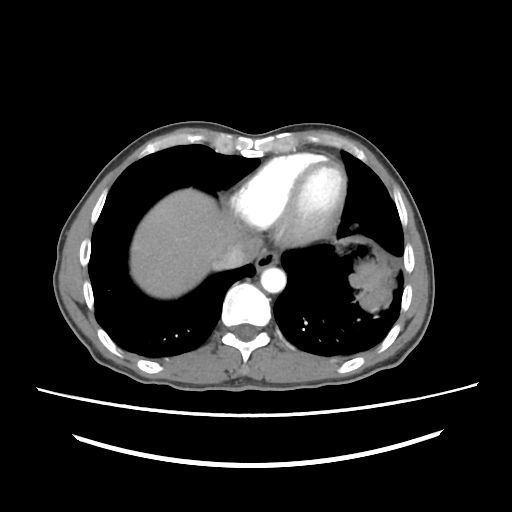

CT abdomen — Axial slice 48/90 — abdomen soft-tissue window — 51-year-old male patient
Boxes: x1 y1 x2 y2 (pixel coords, space-separated).
Organ bounding boxes:
- esophagus: 257 248 281 268
- liver: 130 188 251 299
- aorta: 260 267 286 293
- inferior vena cava: 211 238 263 269